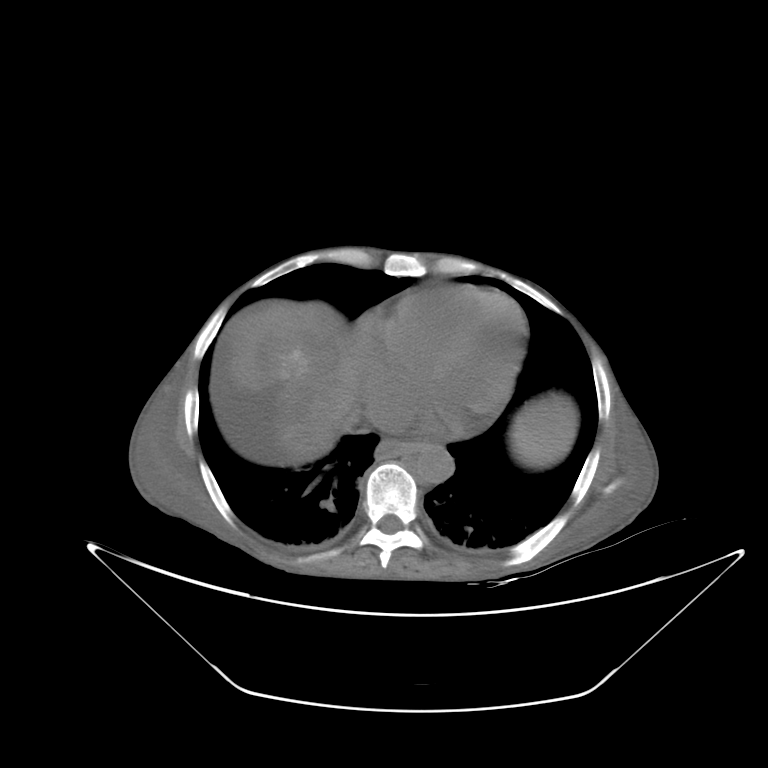

Abdominal CT. axial view. W/L 400/40 HU. 768x768 px
{"organs":{"esophagus":[377,439,425,458],"liver":[221,299,578,468],"aorta":[414,445,454,484]}}